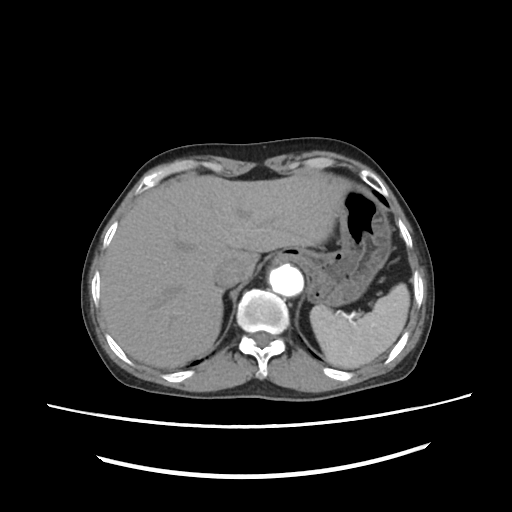

Computed tomography, abdomen; axial view
{"organs":{"spleen":[310,282,409,366],"stomach":[280,184,388,306],"aorta":[270,265,304,295],"inferior vena cava":[214,261,242,285],"liver":[99,173,348,368]}}